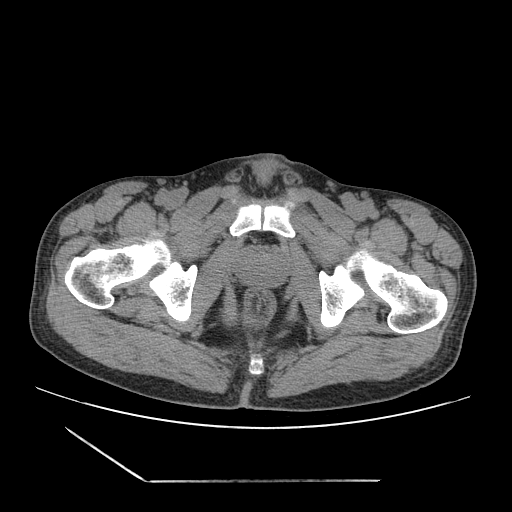 Abdominal CT · axial view · W/L 400/40 HU · 512x512 px
<organs><organ name="prostate/uterus" x1="237" y1="251" x2="284" y2="287"/></organs>